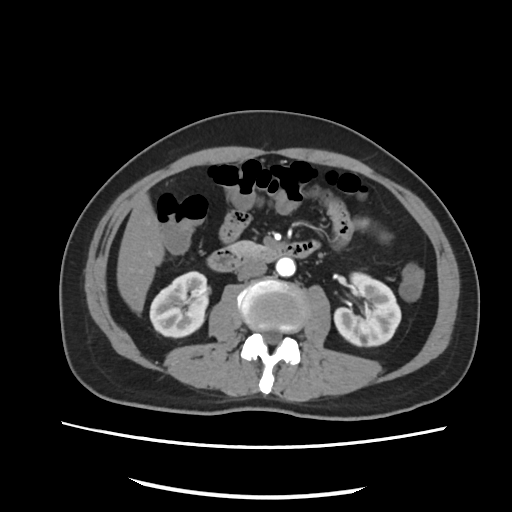

Abdominal CT — Axial slice 64/91 — 66-year-old male patient
Box edges are left/top/right/bottom in pixels. The annotated organs in this slice are: right kidney at left=149, top=271, right=210, bottom=337, left kidney at left=333, top=273, right=401, bottom=346, liver at left=117, top=196, right=164, bottom=313, aorta at left=276, top=258, right=294, bottom=276, inferior vena cava at left=237, top=261, right=267, bottom=279, pancreas at left=227, top=243, right=264, bottom=253, duodenum at left=208, top=241, right=318, bottom=270.